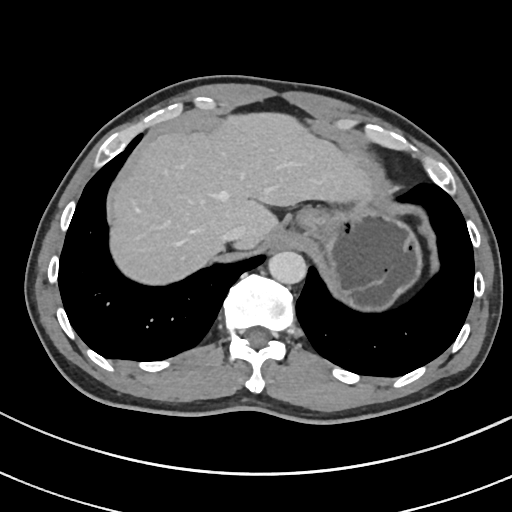 CT, abdomen/pelvis · Axial slice 161/298 · 512x512 px
{"organs":{"esophagus":[277,231,300,246],"liver":[111,114,371,284],"stomach":[290,204,418,306],"aorta":[269,251,307,285],"inferior vena cava":[221,224,247,244]}}